MRI, abdomen · coronal plane, index 47 · scan has 13 labeled organs (a whole-scan count: organs this slice does not pass through have no box)
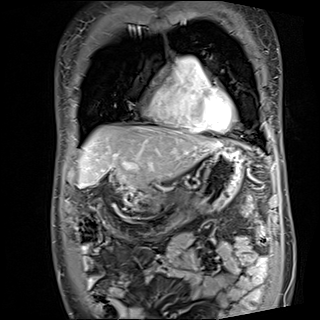

Organ boxes in pixel coordinates; each row gives the top-left (x1, y1) and bottom-right (x2, y2) corners.
| organ | x1 | y1 | x2 | y2 |
|---|---|---|---|---|
| liver | 78 | 124 | 222 | 188 |
| stomach | 129 | 145 | 243 | 211 |
| duodenum | 125 | 190 | 137 | 205 |